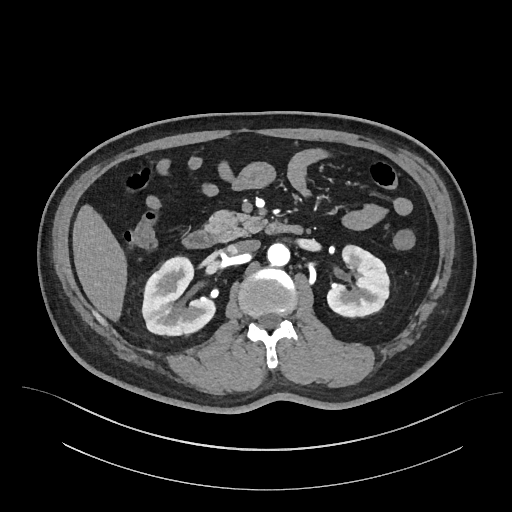

Computed tomography, abdomen; axial view; W/L 400/40 HU; 512x512 px; 15 organs annotated in this scan (that count is for the whole scan; organs this slice misses have no box)
Coordinates as <box>x1,y1,x2,y2</box> in pixels.
Organ bounding boxes:
- inferior vena cava: <box>228,240,259,254</box>
- pancreas: <box>206,210,264,240</box>
- right kidney: <box>142,256,214,335</box>
- liver: <box>72,206,125,320</box>
- aorta: <box>267,243,289,266</box>
- left kidney: <box>327,246,390,316</box>
- duodenum: <box>183,222,302,248</box>